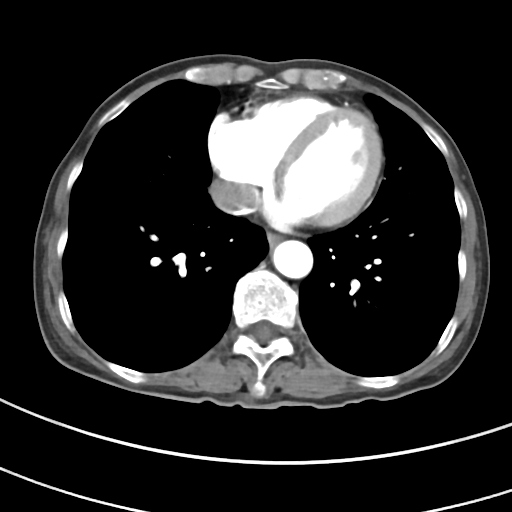

Lower-chest slice from an abdominal CT, just above the liver and spleen · Axial slice 81/118 · soft-tissue window (W 400 / L 40) · scan has 15 labeled organs (a whole-scan count: organs this slice does not pass through have no box)
The heart and lungs are never labeled in this dataset, so they have no box on this slice.
Bounding boxes as [x1, y1, x2, y2] in pixel coordinates.
Organ bounding boxes:
- esophagus: [267, 234, 279, 246]
- aorta: [272, 240, 313, 278]
- inferior vena cava: [209, 180, 255, 212]